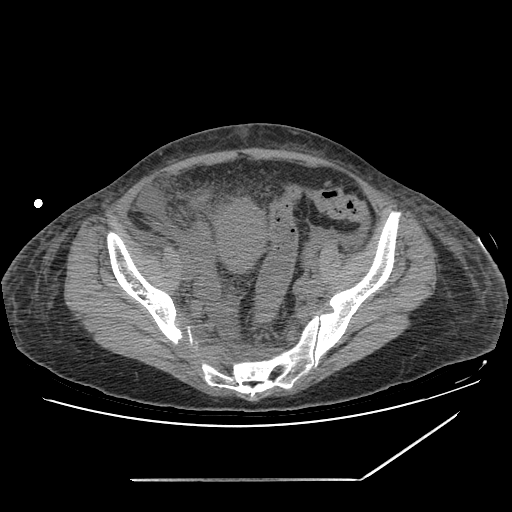
CT abdomen · axial plane, index 42 · abdomen soft-tissue window · 15 organs annotated in this scan (a whole-scan count: organs this slice does not pass through have no box)
Bounding boxes as [x1, y1, x2, y2] in pixel coordinates.
Organ bounding boxes:
- prostate/uterus: [216, 200, 263, 275]